CT abdomen; Axial slice 48/88; soft-tissue window
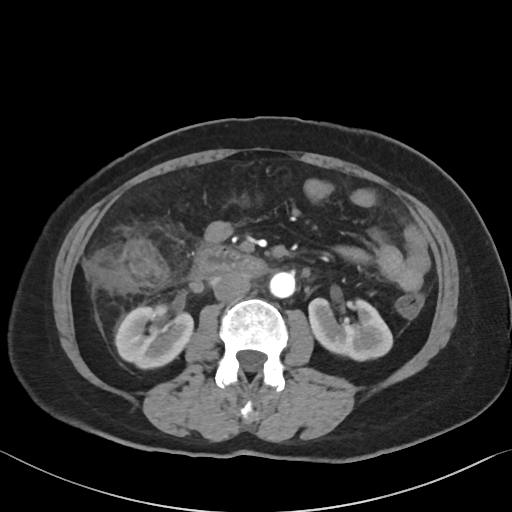 Bounding boxes as [x1, y1, x2, y2] in pixel coordinates. The annotated organs in this slice are: left kidney at [308, 298, 392, 360], inferior vena cava at [213, 272, 250, 301], aorta at [270, 272, 295, 297], duodenum at [195, 245, 264, 278], right kidney at [115, 306, 193, 368].